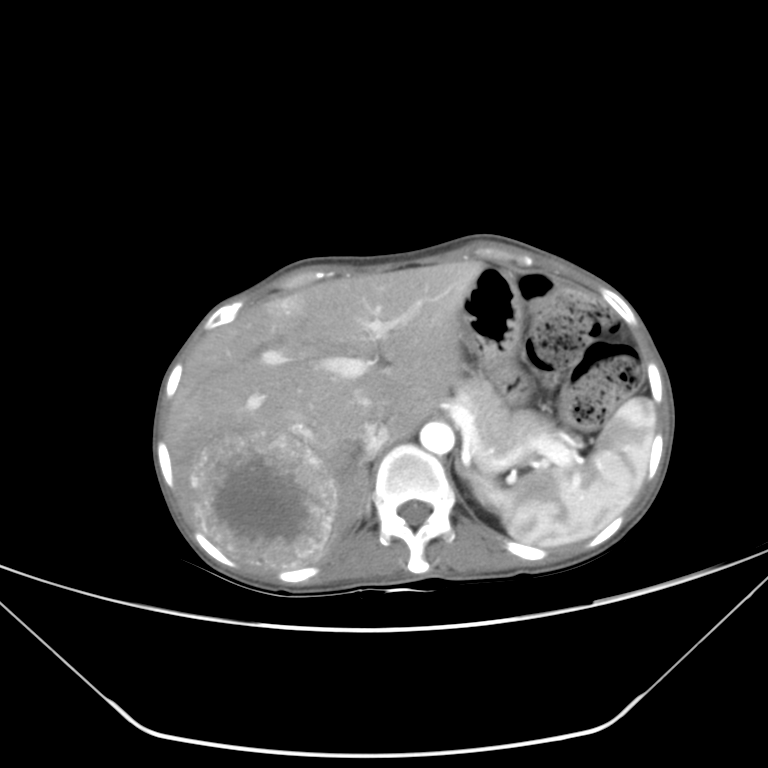 CT, abdomen/pelvis · axial view · abdomen soft-tissue window · 32-year-old female patient · scan has 15 labeled organs (counted over the whole 3D scan, not this slice; an organ is boxed only where this slice passes through it)
{"organs":{"left kidney":[470,472,506,508],"liver":[167,259,486,570],"stomach":[458,266,523,377],"spleen":[500,397,656,546],"pancreas":[456,375,554,458],"aorta":[420,422,454,454],"inferior vena cava":[356,420,389,457]}}